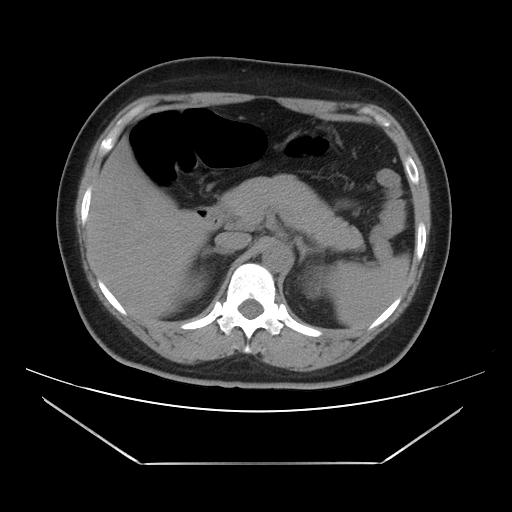
Computed tomography, abdomen — axial view — soft-tissue window (W 400 / L 40) — 512x512 px — scan has 15 labeled organs (a whole-scan count: organs this slice does not pass through have no box)
Bounding boxes as [x1, y1, x2, y2] in pixel coordinates.
Organ bounding boxes:
- right kidney: [181, 274, 207, 298]
- right adrenal gland: [201, 247, 232, 257]
- liver: [87, 137, 209, 320]
- left kidney: [306, 268, 327, 297]
- spleen: [328, 253, 410, 329]
- aorta: [262, 240, 291, 272]
- left adrenal gland: [296, 237, 318, 263]
- inferior vena cava: [215, 231, 250, 251]
- duodenum: [194, 197, 226, 229]
- pancreas: [224, 174, 363, 250]